Abdominal CT; axial view; 512x512 px
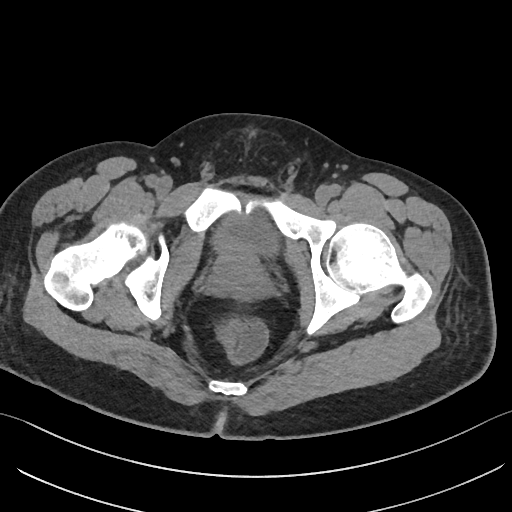

<organs><organ name="bladder" x1="213" y1="211" x2="279" y2="257"/><organ name="prostate/uterus" x1="218" y1="254" x2="257" y2="277"/></organs>